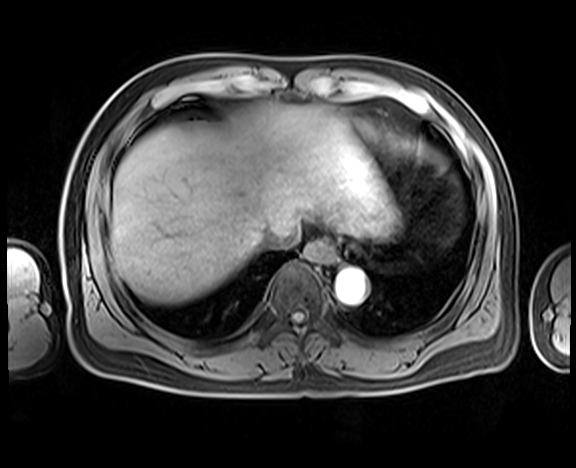
Abdominal MRI — axial view — percentile-normalized — acquired on Prisma
Boxes are (x1, y1, x2, y2) in pixels.
Organ bounding boxes:
- esophagus: (303, 240, 334, 263)
- liver: (111, 104, 402, 303)
- aorta: (335, 269, 365, 303)
- inferior vena cava: (260, 224, 300, 248)